CT of the abdomen reaching into the lower chest, slice just above the liver and spleen; axial view; W/L 400/40 HU; 512x512 px
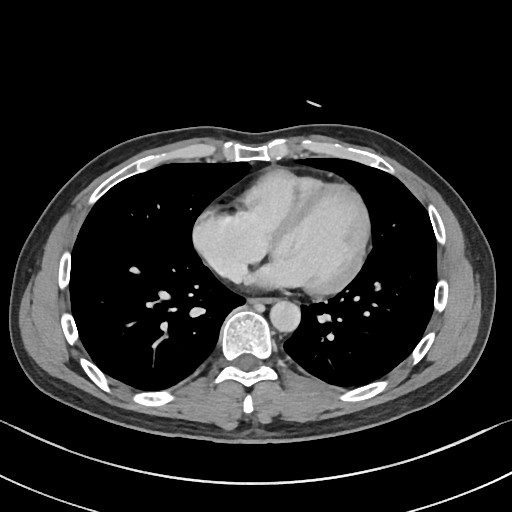 No part of the heart or lungs is labeled in this dataset, so neither has a box here. Boxes: x1:y1:x2:y2 in pixels. 3 labeled organs on this slice — esophagus at 251:296:275:302; aorta at 270:300:300:331; inferior vena cava at 215:258:245:278.